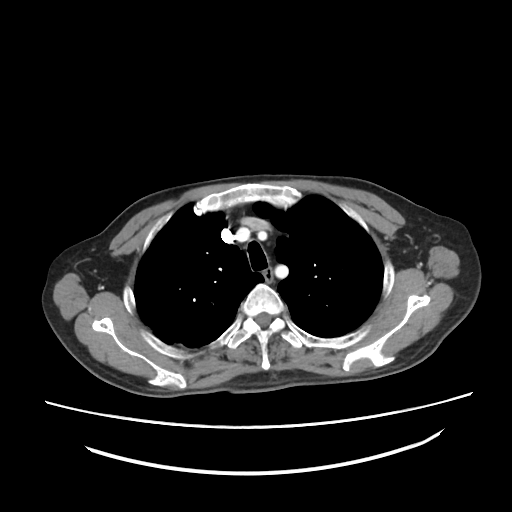 Chest-level CT slice, above the liver and spleen. axial plane, index 121
On a slice this high in the chest, this dataset labels only the esophagus and the aorta, and each is boxed only where it is labeled; the heart, lungs and other chest structures are not labeled.
Bounding boxes as [x1, y1, x2, y2] in pixel coordinates.
Organ bounding boxes:
- esophagus: [262, 267, 273, 281]